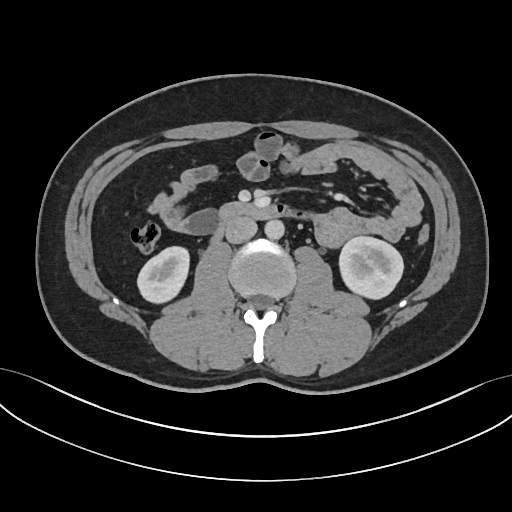 Computed tomography, abdomen · axial view
<organs><organ name="left kidney" x1="338" y1="236" x2="403" y2="299"/><organ name="inferior vena cava" x1="225" y1="218" x2="257" y2="243"/><organ name="aorta" x1="264" y1="219" x2="284" y2="240"/><organ name="duodenum" x1="209" y1="202" x2="313" y2="241"/><organ name="right kidney" x1="136" y1="246" x2="190" y2="304"/></organs>